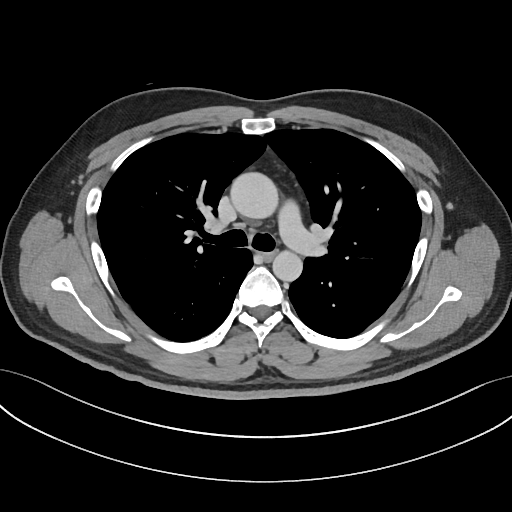

CT of the abdomen extending into the chest, slice through the chest. axial view. SOMATOM Force scanner
At this level of the chest this dataset labels only the esophagus and the aorta, and each is boxed only where it is labeled; the heart and lungs are never labeled.
{"organs":{"aorta":[[231,173,278,219],[272,250,302,280]],"esophagus":[262,250,274,260]}}